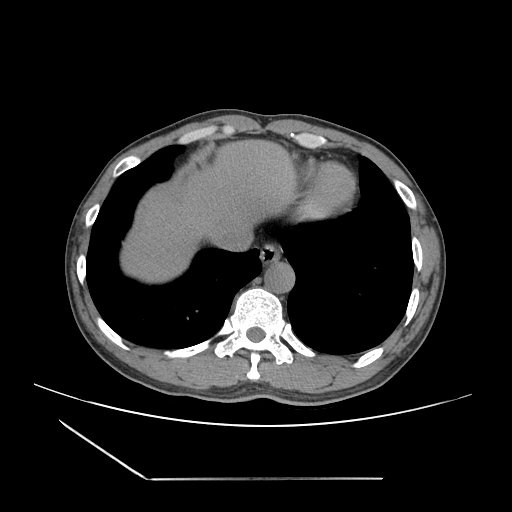 CT abdomen; axial plane, index 163
{"organs":{"esophagus":[260,244,280,264],"liver":[120,139,297,282],"inferior vena cava":[214,229,252,251],"aorta":[264,261,295,293]}}